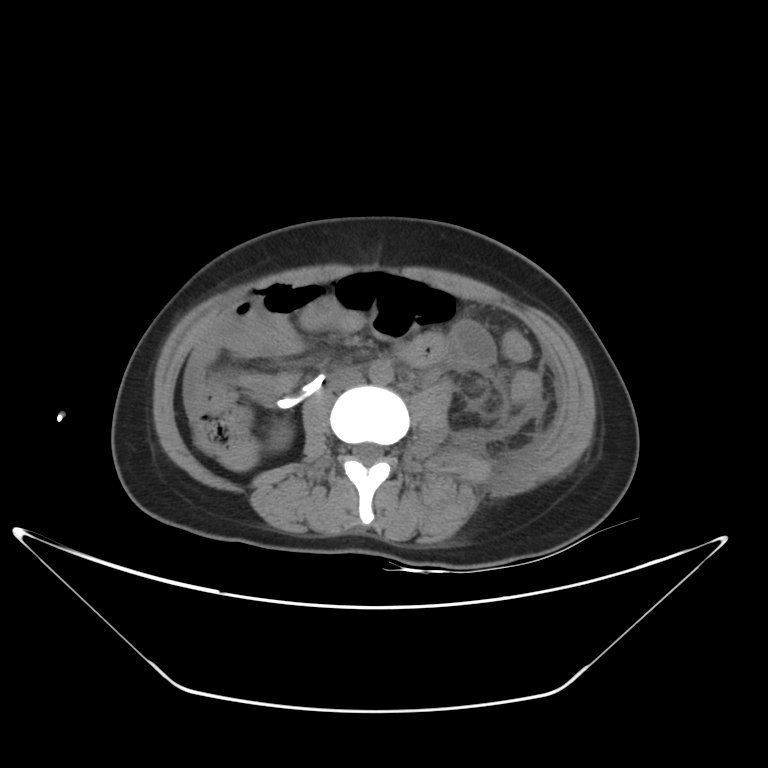
CT, abdomen/pelvis · Axial slice 53/95
Each box given as x1,y1,x2,y2.
right kidney: x1=271, y1=428, x2=290, y2=448
aorta: x1=369, y1=361, x2=393, y2=384
inferior vena cava: x1=328, y1=367, x2=362, y2=390
duodenum: x1=275, y1=373, x2=318, y2=404